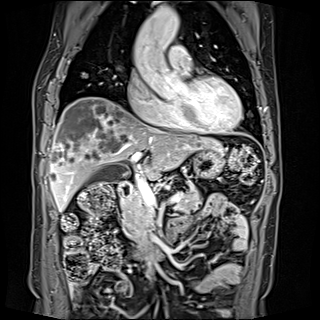

Abdominal MR; coronal view; percentile-normalized
Bounding boxes as [x1, y1, x2, y2] in pixel coordinates.
gall bladder: [86, 166, 118, 184]
liver: [50, 97, 222, 211]
stomach: [192, 148, 224, 178]
aorta: [133, 6, 179, 55]
pancreas: [121, 184, 201, 229]
duodenum: [118, 181, 182, 257]